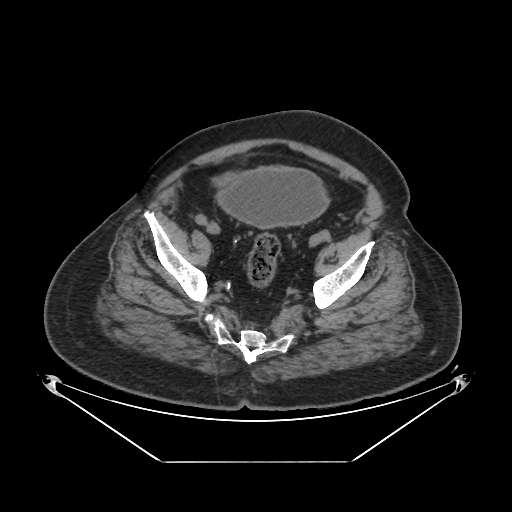
Abdominal CT; axial view; soft-tissue window (W 400 / L 40); 512x512 px; acquired on SOMATOM Force; 15 organs annotated in this scan (a whole-scan count: organs this slice does not pass through have no box)
Each box given as x1,y1,x2,y2.
Organ bounding boxes:
- bladder: x1=219, y1=167, x2=327, y2=227